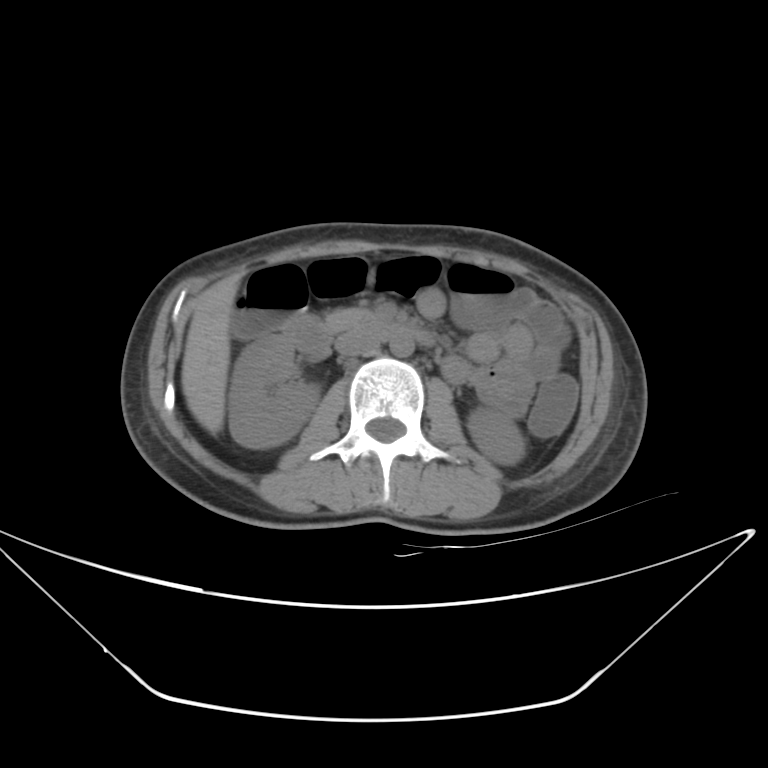 Computed tomography, abdomen; axial view; 32-year-old female patient
Each box given as x1,y1,x2,y2.
aorta: x1=390, y1=334, x2=414, y2=357
left kidney: x1=467, y1=409, x2=525, y2=465
pancreas: x1=326, y1=308, x2=374, y2=330
liver: x1=181, y1=277, x2=237, y2=434
right kidney: x1=228, y1=334, x2=320, y2=449
inferior vena cava: x1=334, y1=331, x2=379, y2=355
duodenum: x1=285, y1=315, x2=434, y2=352